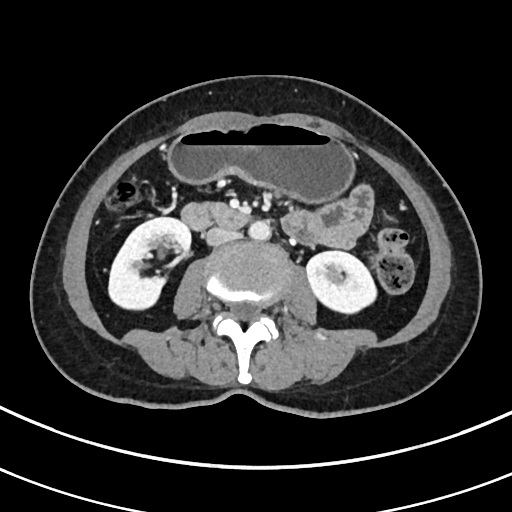

CT abdomen — axial view — soft-tissue window (W 400 / L 40) — scan has 15 labeled organs (that count is for the whole scan; organs this slice misses have no box)
Bounding boxes as [x1, y1, x2, y2] in pixel coordinates.
duodenum: [182, 203, 248, 229]
inferior vena cava: [205, 226, 241, 246]
stomach: [168, 120, 353, 201]
right kidney: [109, 216, 191, 309]
aorta: [248, 220, 270, 240]
left kidney: [306, 251, 377, 313]